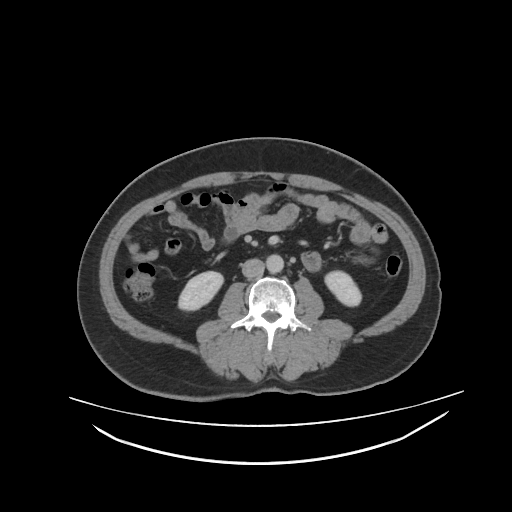
CT abdomen — axial view — 512x512 px — Aquilion ONE scanner
Boxes: x1 y1 x2 y2 (pixel coords, space-separated). 4 labeled organs on this slice — right kidney at 177 271 222 309; left kidney at 325 271 360 306; aorta at 266 253 282 271; inferior vena cava at 241 258 263 277.